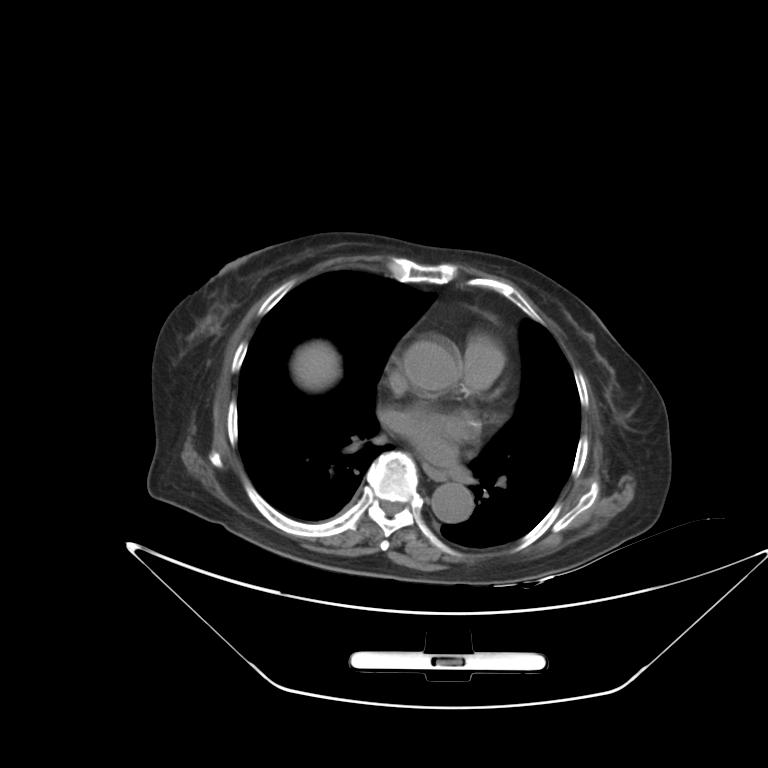 Abdominal CT; axial view; W/L 400/40 HU; 768x768 px; 80-year-old female patient; acquired on Brilliance16
<organs><organ name="esophagus" x1="423" y1="465" x2="446" y2="483"/><organ name="liver" x1="292" y1="341" x2="340" y2="390"/><organ name="aorta" x1="405" y1="341" x2="458" y2="390"/><organ name="aorta" x1="431" y1="483" x2="473" y2="522"/></organs>